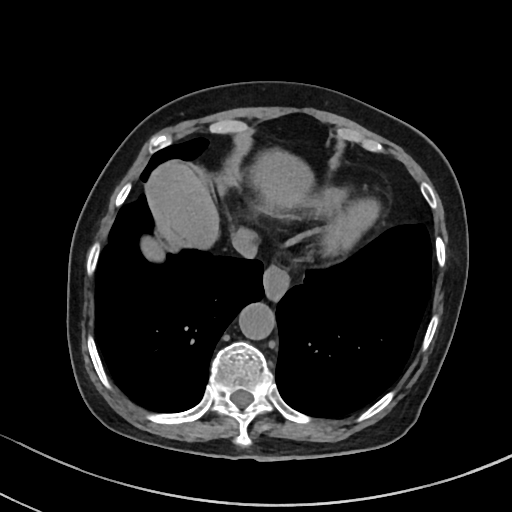

Computed tomography, abdomen; axial plane, index 184; 512x512 px; scan has 15 labeled organs (a whole-scan count: organs this slice does not pass through have no box)
Boxes: x1:y1:x2:y2 in pixels. The annotated organs in this slice are: esophagus at 263:265:291:301, liver at 141:153:312:259, aorta at 239:301:275:338, inferior vena cava at 231:228:255:257.